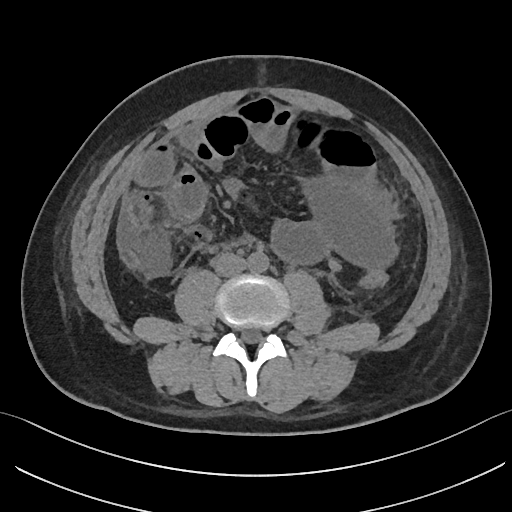
CT abdomen — axial view — 512x512 px
Boxes: x1:y1:x2:y2 in pixels.
Organ bounding boxes:
- inferior vena cava: 214:252:246:276
- aorta: 247:252:268:272